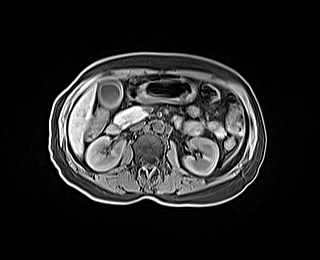

Abdominal MR · axial view
One row per box, in pixels: columns x1 and y1 give the top-left corner, x2 and y2 the bottom-right.
| organ | x1 | y1 | x2 | y2 |
|---|---|---|---|---|
| stomach | 137 | 79 | 195 | 102 |
| pancreas | 114 | 106 | 147 | 125 |
| inferior vena cava | 131 | 123 | 143 | 130 |
| liver | 68 | 86 | 95 | 156 |
| left kidney | 184 | 138 | 218 | 174 |
| right kidney | 86 | 136 | 124 | 170 |
| duodenum | 106 | 83 | 182 | 133 |
| gall bladder | 98 | 79 | 122 | 108 |
| aorta | 152 | 120 | 163 | 132 |